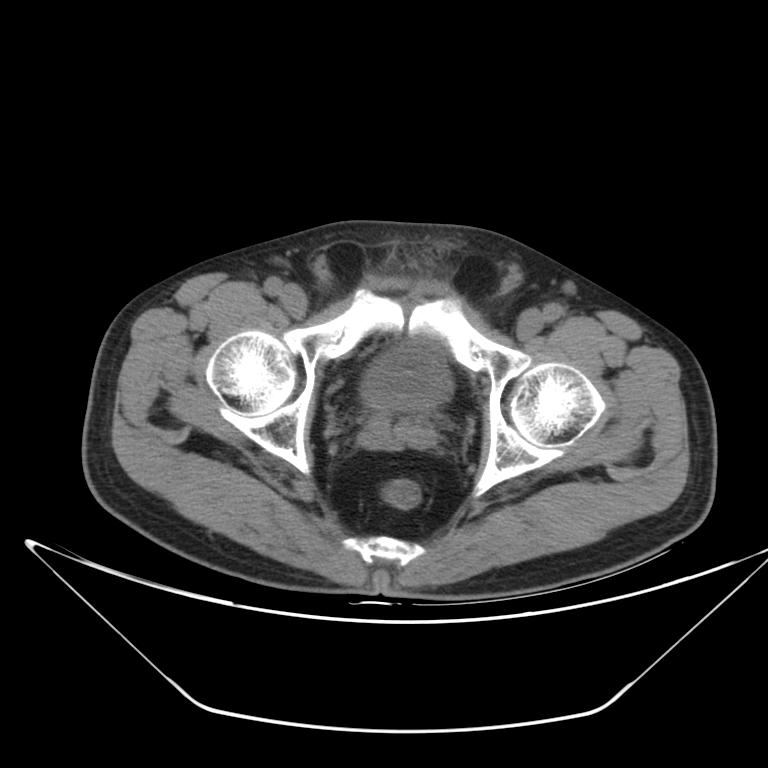 CT, abdomen/pelvis · axial view · 768x768 px
<organs><organ name="bladder" x1="361" y1="337" x2="452" y2="414"/><organ name="prostate/uterus" x1="370" y1="411" x2="420" y2="431"/></organs>